Abdominal MR. coronal plane, index 78. 1st–99th percentile window. 260x320 px
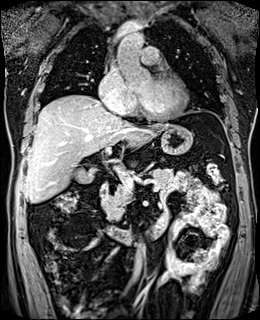 Box edges are left/top/right/bottom in pixels.
stomach: left=160, top=125, right=192, bottom=154
duodenum: left=100, top=184, right=164, bottom=243
aorta: left=117, top=31, right=143, bottom=48
aorta: left=133, top=243, right=144, bottom=279
pancreas: left=101, top=168, right=173, bottom=220
liver: left=24, top=95, right=168, bottom=202
gall bladder: left=75, top=167, right=95, bottom=183